MRI, abdomen; axial view; Prisma scanner
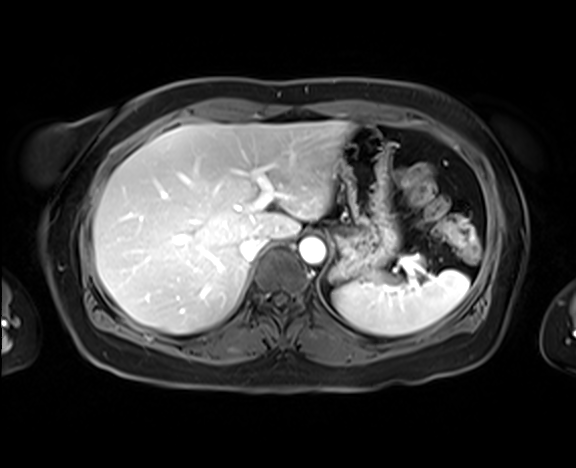
Boxes are (x1, y1, x2, y2) in pixels.
stomach: (330, 125, 399, 280)
liver: (93, 121, 352, 333)
aorta: (299, 237, 326, 264)
inferior vena cava: (240, 236, 268, 262)
spleen: (333, 270, 469, 335)